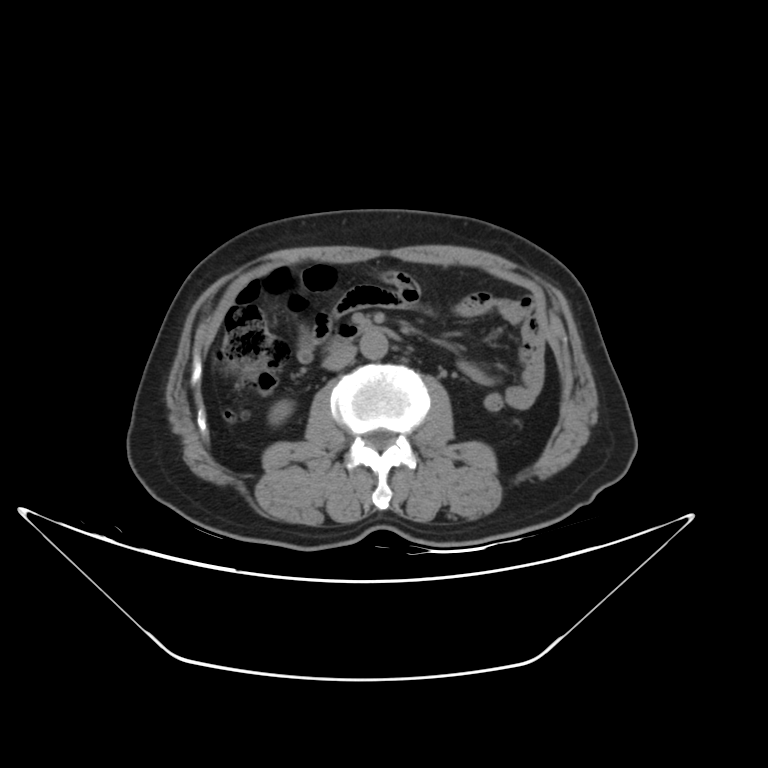 Abdominal CT; axial view; soft-tissue window (W 400 / L 40); 15 organs annotated in this scan (a whole-scan count: organs this slice does not pass through have no box)
Boxes: x1 y1 x2 y2 (pixel coords, space-separated).
duodenum: 323 326 404 353
aorta: 360 332 388 359
right kidney: 268 400 293 424
inferior vena cava: 323 345 357 369